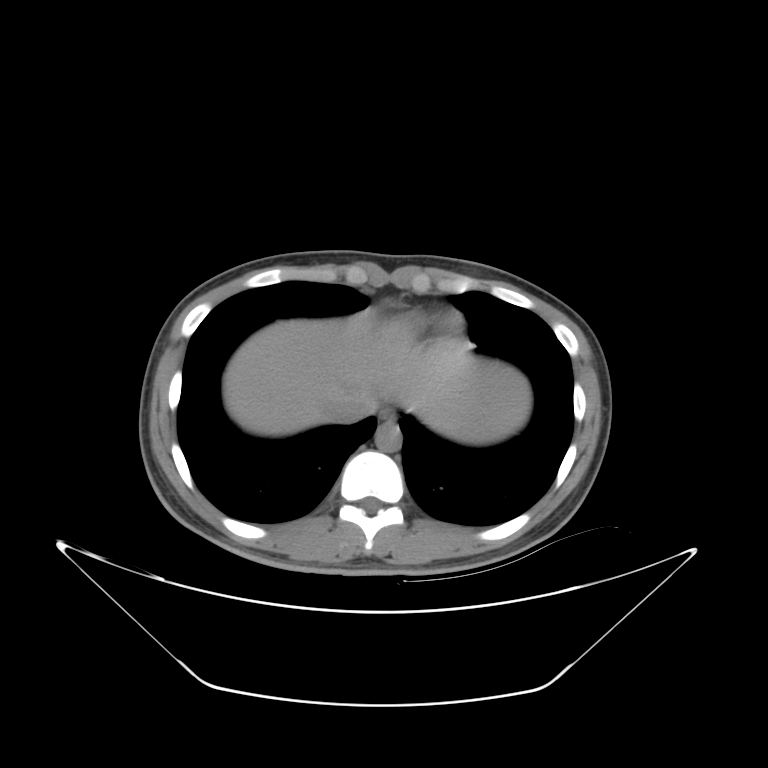 Computed tomography, abdomen · Axial slice 92/102 · 16-year-old male patient · Brilliance16 scanner
Boxes: x1 y1 x2 y2 (pixel coords, space-separated).
spleen: 457 412 499 441
esophagus: 375 407 398 430
liver: 223 315 530 435
aorta: 375 425 399 452
inferior vena cava: 337 401 368 423